CT abdomen; axial plane, index 57; abdomen soft-tissue window
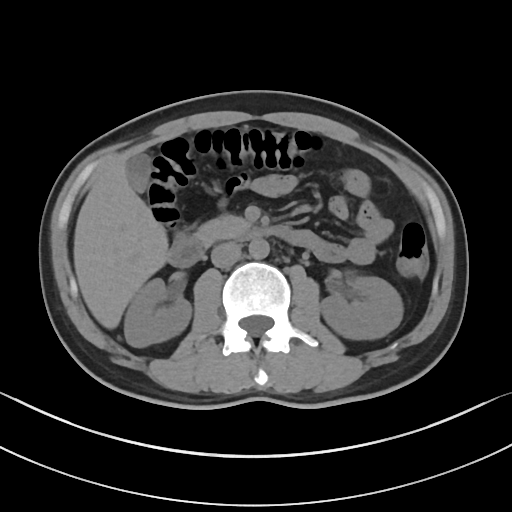 Coordinates as <box>x1,y1,x2,y2</box> in pixels.
right kidney: <box>124,278,191,347</box>
left kidney: <box>320,275,403,339</box>
gall bladder: <box>126,153,151,192</box>
liver: <box>73,143,168,328</box>
aorta: <box>249,239,269,259</box>
inferior vena cava: <box>211,242,241,267</box>
pancreas: <box>194,215,249,245</box>
duodenum: <box>168,225,292,267</box>